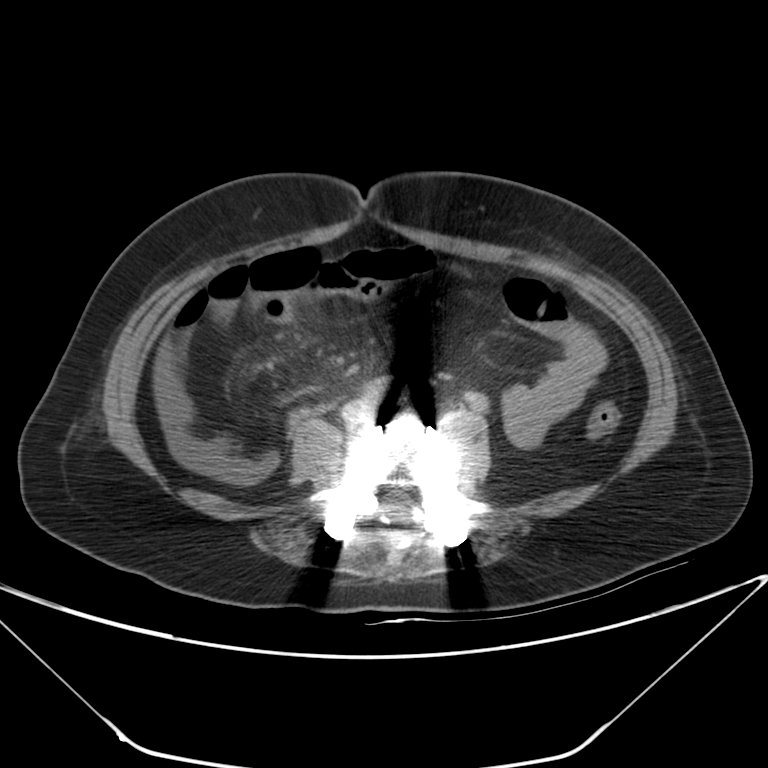
Computed tomography, abdomen · axial view · soft-tissue window (W 400 / L 40) · 768x768 px · 66-year-old female patient
Organ boxes in pixel coordinates; each row gives the top-left (x1, y1) and bottom-right (x2, y2) corners.
| organ | x1 | y1 | x2 | y2 |
|---|---|---|---|---|
| aorta | 378 | 376 | 408 | 395 |